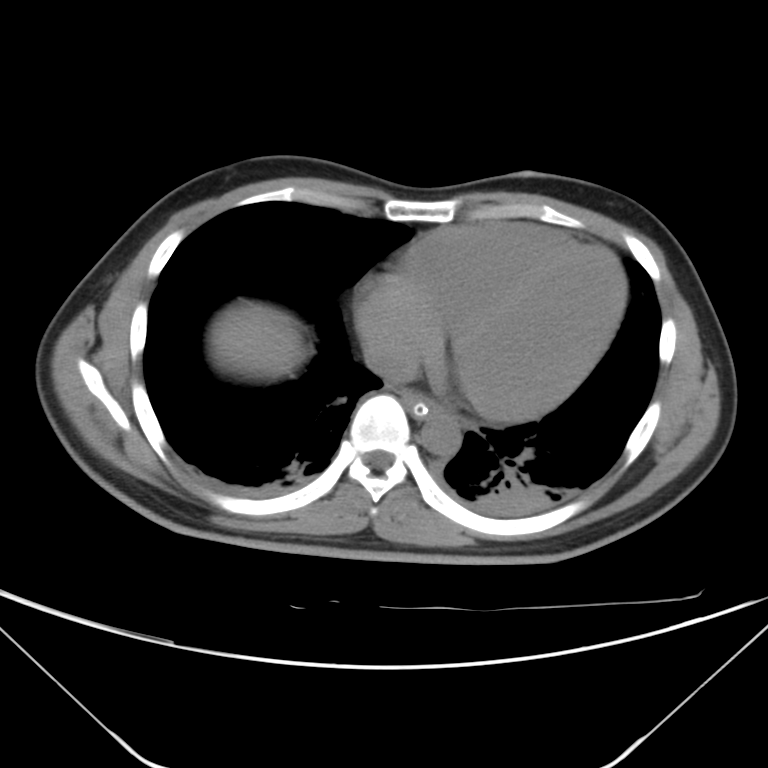 Abdominal CT — axial plane, index 94 — 768x768 px — scan has 15 labeled organs (that count is for the whole scan; organs this slice misses have no box)
<organs><organ name="esophagus" x1="400" y1="389" x2="442" y2="416"/><organ name="liver" x1="213" y1="306" x2="303" y2="375"/><organ name="aorta" x1="420" y1="410" x2="461" y2="456"/><organ name="inferior vena cava" x1="366" y1="341" x2="419" y2="381"/></organs>